Lower-chest slice from an abdominal CT, just above the liver and spleen — axial view — 15 organs annotated in this scan (a whole-scan count: organs this slice does not pass through have no box)
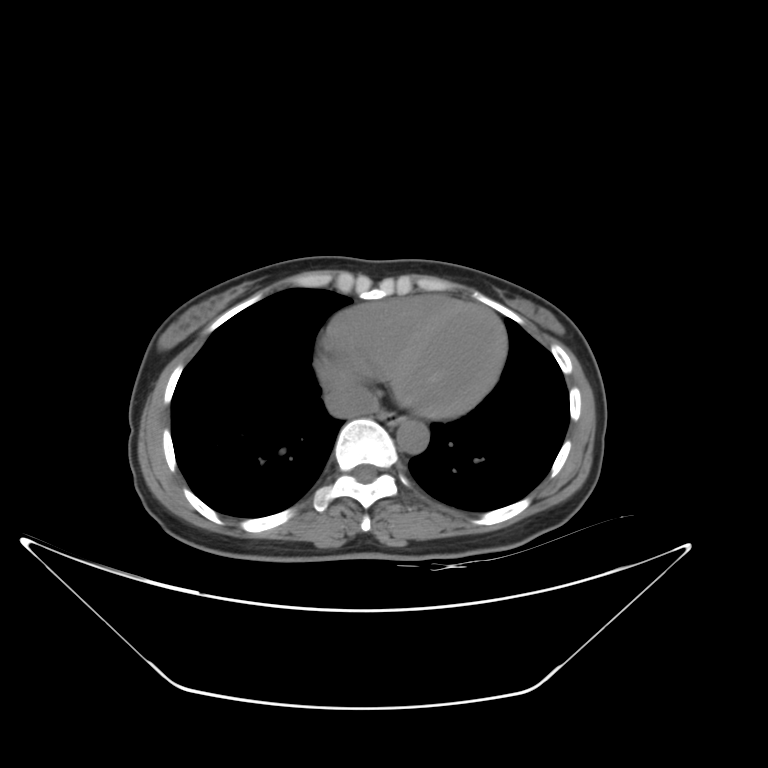 No part of the heart or lungs is labeled in this dataset, so neither has a box here.
Bounding boxes in pixels, one row per box: x1, y1 is the top-left corner and x2, y2 the bottom-right.
| organ | x1 | y1 | x2 | y2 |
|---|---|---|---|---|
| inferior vena cava | 325 | 387 | 378 | 417 |
| aorta | 397 | 419 | 428 | 452 |
| esophagus | 378 | 411 | 406 | 424 |